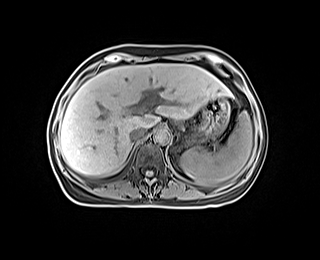

Abdominal MR. axial plane, index 51. percentile-normalized. 320x260 px
{"organs":{"spleen":[180,111,252,186],"liver":[60,64,231,175],"stomach":[186,96,229,144],"aorta":[153,127,170,143],"inferior vena cava":[130,127,146,140]}}